Magnetic resonance imaging, abdomen · coronal plane, index 79 · 260x320 px
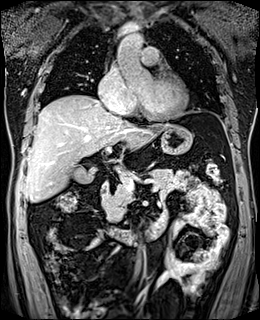

{"organs":{"gall bladder":[73,165,94,183],"liver":[25,95,168,202],"stomach":[160,125,192,154],"aorta":[117,32,142,48],"pancreas":[102,169,172,221],"duodenum":[101,182,164,243]}}